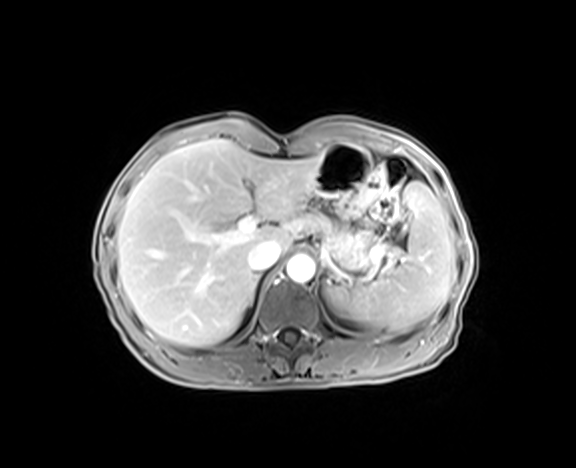 Magnetic resonance imaging, abdomen — Axial slice 51/72 — percentile-normalized — 13 organs annotated in this scan (that count is for the whole scan; organs this slice misses have no box)
<organs><organ name="pancreas" x1="301" y1="213" x2="365" y2="265"/><organ name="aorta" x1="287" y1="255" x2="315" y2="282"/><organ name="right adrenal gland" x1="248" y1="295" x2="253" y2="302"/><organ name="liver" x1="117" y1="138" x2="322" y2="346"/><organ name="spleen" x1="329" y1="182" x2="452" y2="332"/><organ name="inferior vena cava" x1="248" y1="240" x2="282" y2="272"/><organ name="left adrenal gland" x1="247" y1="302" x2="252" y2="306"/><organ name="stomach" x1="313" y1="143" x2="370" y2="247"/></organs>